Computed tomography, abdomen; Axial slice 167/204; acquired on SOMATOM Force
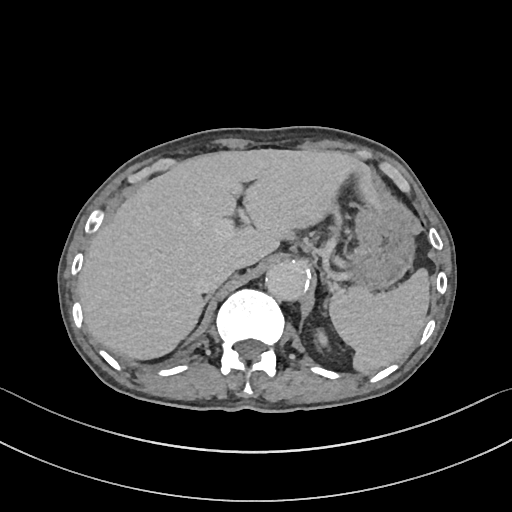 Organ boxes in pixel coordinates; each row gives the top-left (x1, y1) and bottom-right (x2, y2) corners.
| organ | x1 | y1 | x2 | y2 |
|---|---|---|---|---|
| right adrenal gland | 197 | 293 | 211 | 322 |
| spleen | 329 | 267 | 430 | 373 |
| left adrenal gland | 323 | 300 | 328 | 308 |
| stomach | 352 | 200 | 415 | 286 |
| aorta | 265 | 259 | 308 | 299 |
| inferior vena cava | 200 | 256 | 238 | 291 |
| liver | 78 | 149 | 378 | 359 |
| left kidney | 313 | 330 | 327 | 349 |